CT of the abdomen extending into the chest, slice through the chest. axial view. 15 organs annotated in this scan (counted over the whole 3D scan, not this slice; an organ is boxed only where this slice passes through it)
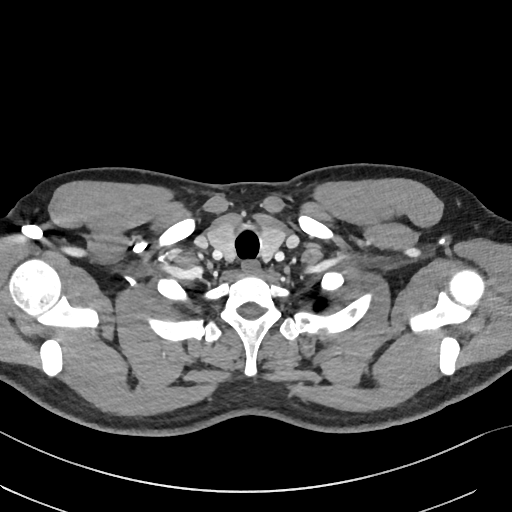 At this level of the chest this dataset labels only the esophagus and the aorta, and each is boxed only where it is labeled; the heart and lungs are never labeled.
Boxes are (x1, y1, x2, y2) in pixels.
esophagus: (243, 261, 258, 272)